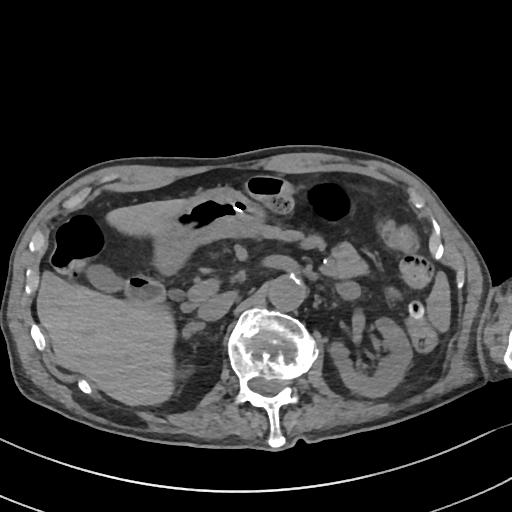

CT, abdomen/pelvis — axial view — W/L 400/40 HU — acquired on SOMATOM Force — scan has 15 labeled organs (counted over the whole 3D scan, not this slice; an organ is boxed only where this slice passes through it)
Box edges are left/top/right/bottom in pixels. The annotated organs in this slice are: spleen at left=427, top=272, right=449, bottom=332, left kidney at left=331, top=318, right=411, bottom=396, gall bladder at left=85, top=263, right=124, bottom=290, liver at left=36, top=198, right=188, bottom=405, stomach at left=156, top=187, right=263, bottom=272, aorta at left=268, top=275, right=305, bottom=310, inferior vena cava at left=197, top=293, right=232, bottom=321, pancreas at left=263, top=226, right=370, bottom=279, right adrenal gland at left=183, top=322, right=207, bottom=339, left adrenal gland at left=333, top=285, right=347, bottom=297, duodenum at left=124, top=277, right=163, bottom=303.